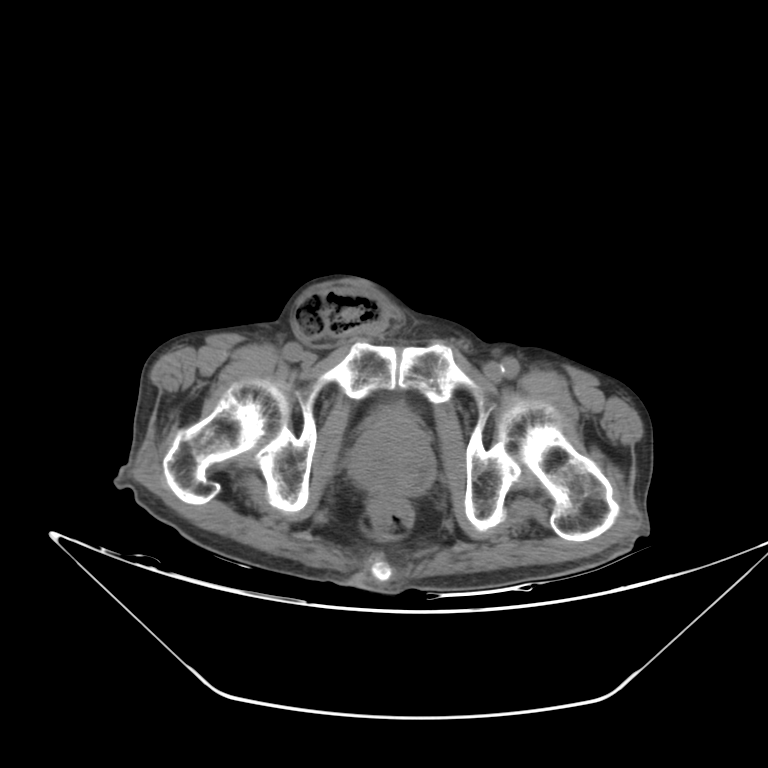 Computed tomography, abdomen. axial view. soft-tissue window. male patient aged 90 or older. scan has 15 labeled organs (that count is for the whole scan; organs this slice misses have no box)
Box edges are left/top/right/bottom in pixels. The annotated organs in this slice are: prostate/uterus at left=347, top=410, right=433, bottom=496.